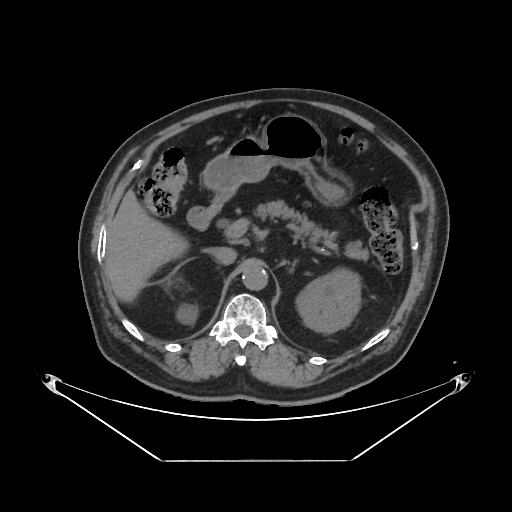
CT abdomen — axial plane, index 255 — 15 organs annotated in this scan (a whole-scan count: organs this slice does not pass through have no box)
Boxes: x1 y1 x2 y2 (pixel coords, space-separated).
Organ bounding boxes:
- right kidney: 178 304 195 322
- left kidney: 295 270 361 332
- liver: 106 190 184 298
- stomach: 204 114 342 202
- aorta: 242 264 267 290
- inferior vena cava: 209 247 236 264
- pancreas: 252 199 368 259
- left adrenal gland: 292 262 294 265
- duodenum: 186 194 228 230